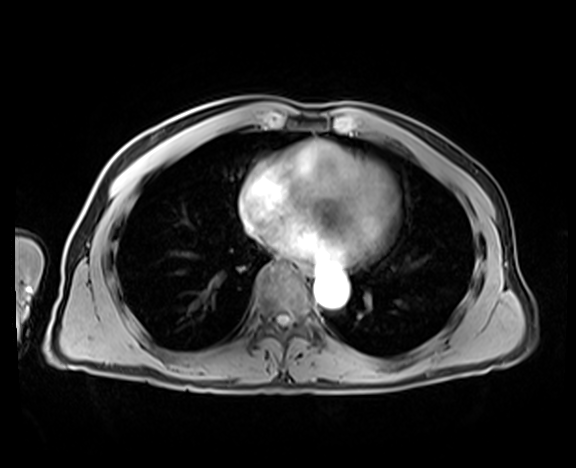
Lower-chest slice from an abdominal MRI, just above the liver and spleen · axial view · 1st–99th percentile window · 576x468 px · Prisma scanner · 13 organs annotated in this scan (a whole-scan count: organs this slice does not pass through have no box)
The heart and lungs are never labeled in this dataset, so they have no box on this slice.
<organs><organ name="esophagus" x1="297" y1="262" x2="312" y2="276"/><organ name="aorta" x1="314" y1="271" x2="349" y2="307"/></organs>